Computed tomography, abdomen. axial view. abdomen soft-tissue window. 54-year-old male patient
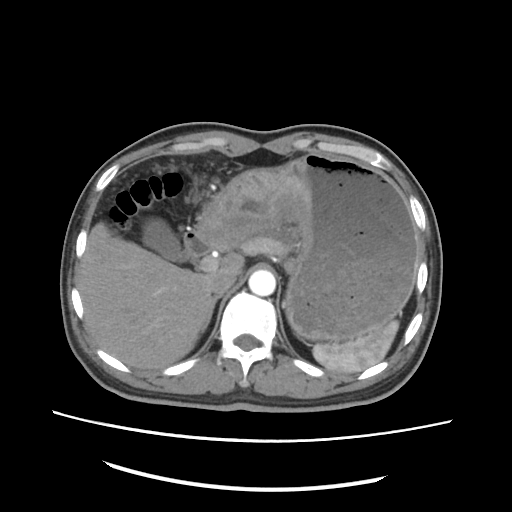

Bounding boxes as [x1, y1, x2, y2] in pixel coordinates.
spleen: [312, 321, 397, 371]
gall bladder: [142, 215, 192, 260]
liver: [76, 222, 244, 369]
stomach: [196, 155, 416, 338]
aorta: [249, 271, 276, 296]
inferior vena cava: [209, 269, 236, 294]
pancreas: [239, 239, 294, 260]
right adrenal gland: [202, 294, 223, 330]
duodenum: [183, 228, 213, 255]